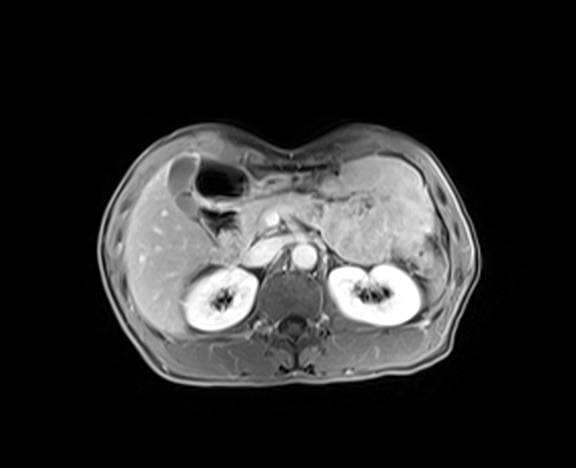 MRI, abdomen — axial plane, index 39
{"organs":{"gall bladder":[169,155,199,216],"spleen":[429,263,446,300],"inferior vena cava":[244,237,284,266],"right kidney":[183,268,257,330],"left kidney":[329,265,421,325],"stomach":[255,176,313,195],"aorta":[291,243,316,270],"liver":[124,154,218,335],"pancreas":[235,192,338,250],"duodenum":[195,158,255,264]}}